Abdominal CT — axial plane, index 111 — 512x512 px — acquired on SOMATOM Force
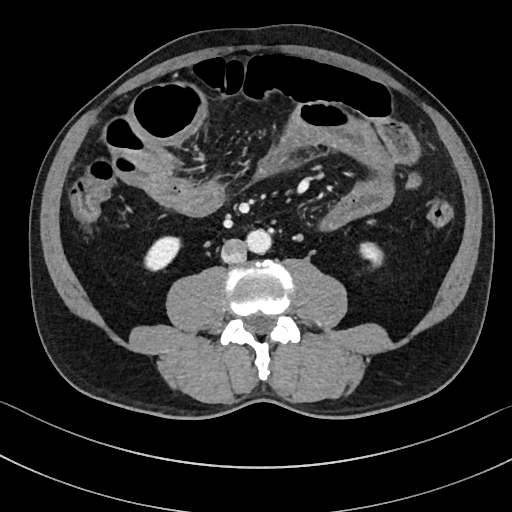
{"organs":{"right kidney":[145,237,179,270],"left kidney":[360,242,382,265],"aorta":[246,229,271,253],"inferior vena cava":[221,239,246,263]}}